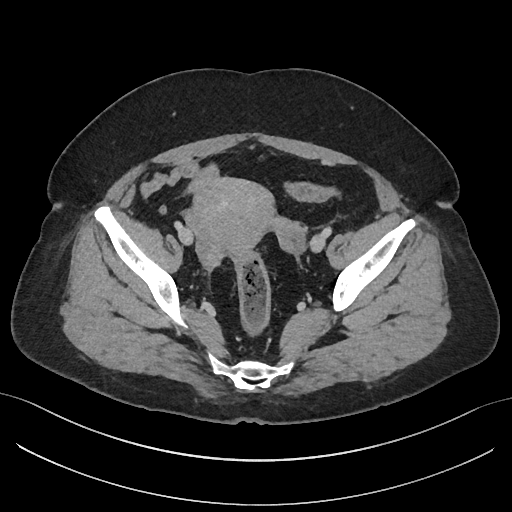

CT abdomen — axial plane, index 55
Organ boxes in pixel coordinates; each row gives the top-left (x1, y1) and bottom-right (x2, y2) corners.
| organ | x1 | y1 | x2 | y2 |
|---|---|---|---|---|
| prostate/uterus | 195 | 179 | 271 | 253 |